CT, abdomen/pelvis. axial view. 15 organs annotated in this scan (a whole-scan count: organs this slice does not pass through have no box)
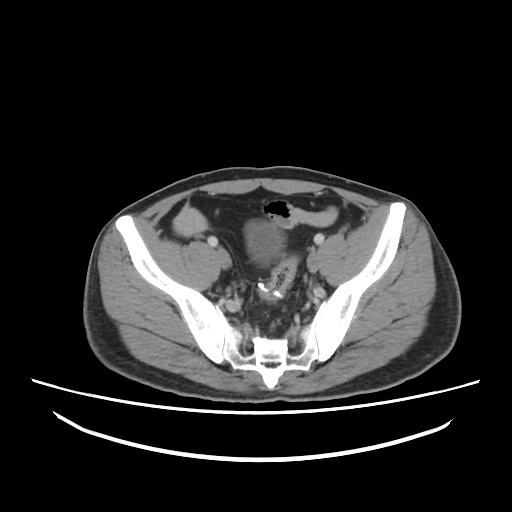 Bounding boxes as [x1, y1, x2, y2] in pixel coordinates.
Organ bounding boxes:
- bladder: [245, 220, 284, 264]